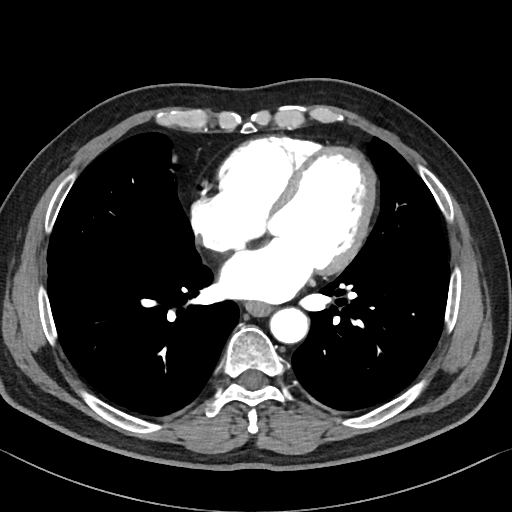

CT of the abdomen reaching into the lower chest, slice just above the liver and spleen · axial plane, index 217 · soft-tissue window (W 400 / L 40) · 512x512 px · scan has 15 labeled organs (that count is for the whole scan; organs this slice misses have no box)
Of the structures in the chest, this dataset labels only the esophagus, the aorta and the inferior vena cava; the heart and lungs have no label.
<organs><organ name="esophagus" x1="245" y1="303" x2="271" y2="316"/><organ name="aorta" x1="270" y1="308" x2="308" y2="343"/></organs>